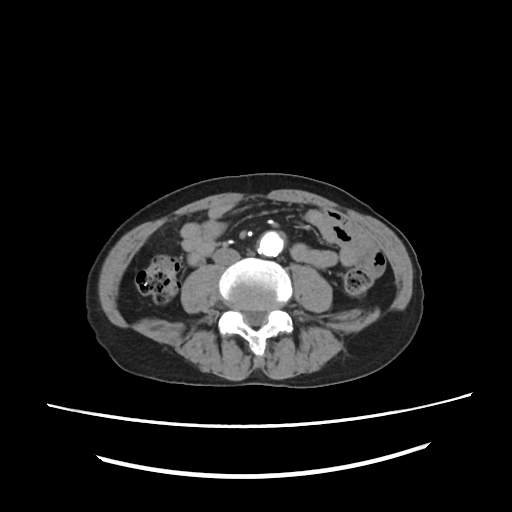

Abdominal CT · Axial slice 50/132 · 512x512 px · 67-year-old male patient
Each box given as x1,y1,x2,y2.
inferior vena cava: x1=212, y1=249, x2=238, y2=263
aorta: x1=258, y1=230, x2=282, y2=256